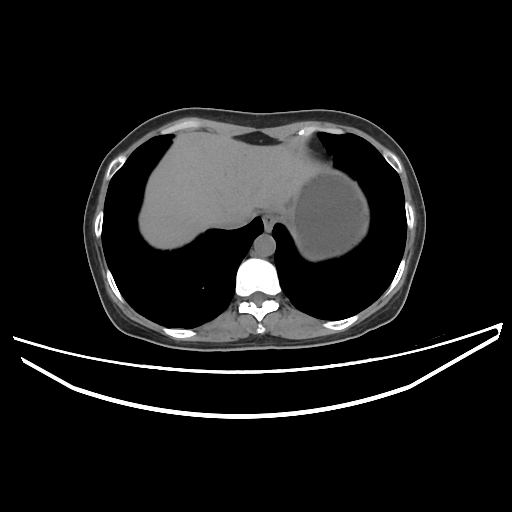

CT abdomen. axial view. W/L 400/40 HU. Aquilion ONE scanner
Each box given as x1,y1,x2,y2.
Organ bounding boxes:
- stomach: x1=285, y1=168, x2=368, y2=260
- aorta: x1=254, y1=234, x2=275, y2=256
- inferior vena cava: x1=221, y1=213, x2=253, y2=228
- esophagus: x1=262, y1=214, x2=276, y2=231
- liver: x1=139, y1=132, x2=324, y2=248